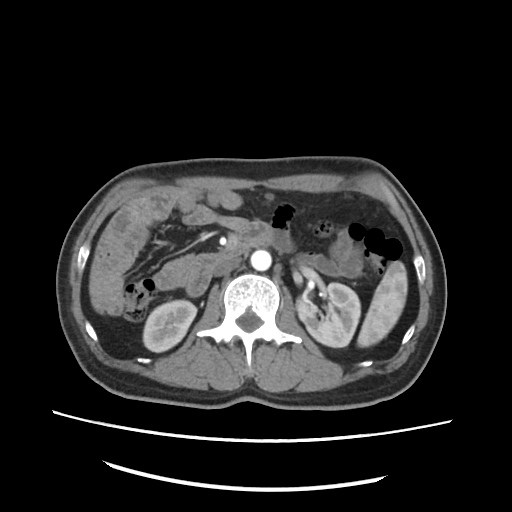

CT, abdomen/pelvis — Axial slice 63/98 — 512x512 px — 54-year-old male patient
Each box given as x1,y1,x2,y2.
inferior vena cava: x1=215, y1=256, x2=242, y2=275
spleen: x1=357, y1=262, x2=407, y2=347
duodenum: x1=186, y1=223, x2=272, y2=296
aorta: x1=251, y1=250, x2=272, y2=270
left kidney: x1=297, y1=282, x2=360, y2=347
right kidney: x1=144, y1=299, x2=197, y2=352